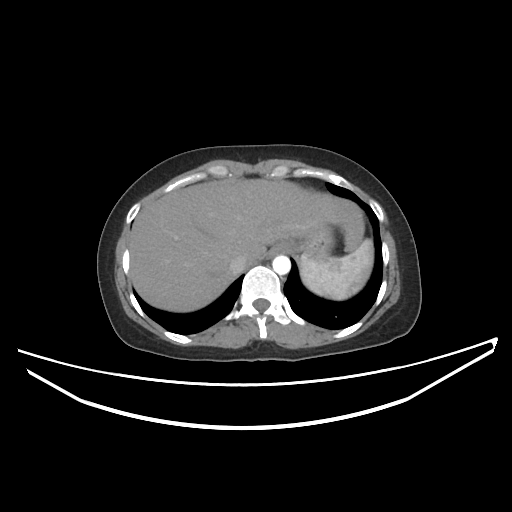 CT, abdomen/pelvis; axial view; 37-year-old female patient; acquired on Aquilion ONE
<organs><organ name="spleen" x1="300" y1="238" x2="373" y2="300"/><organ name="esophagus" x1="269" y1="242" x2="288" y2="256"/><organ name="liver" x1="129" y1="179" x2="364" y2="312"/><organ name="stomach" x1="286" y1="226" x2="334" y2="260"/><organ name="aorta" x1="272" y1="255" x2="290" y2="274"/><organ name="inferior vena cava" x1="229" y1="255" x2="246" y2="273"/></organs>